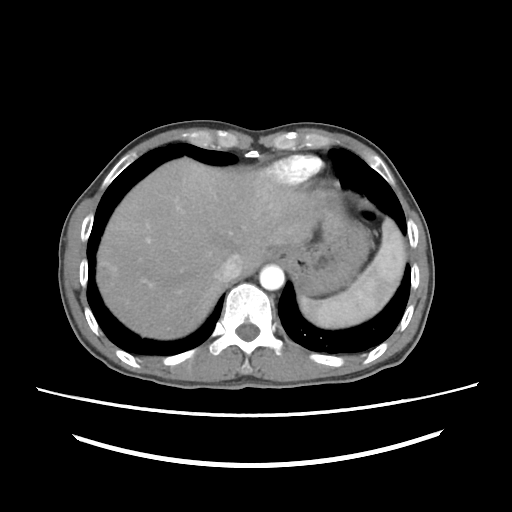
Computed tomography, abdomen. axial view. 512x512 px. 51-year-old male patient
Bounding boxes in pixels, one row per box: x1, y1 is the top-left corner and x2, y2 the bottom-right.
| organ | x1 | y1 | x2 | y2 |
|---|---|---|---|---|
| inferior vena cava | 215 | 254 | 242 | 281 |
| spleen | 299 | 219 | 407 | 329 |
| aorta | 260 | 265 | 284 | 289 |
| stomach | 289 | 192 | 369 | 297 |
| esophagus | 271 | 249 | 289 | 264 |
| liver | 97 | 158 | 326 | 339 |